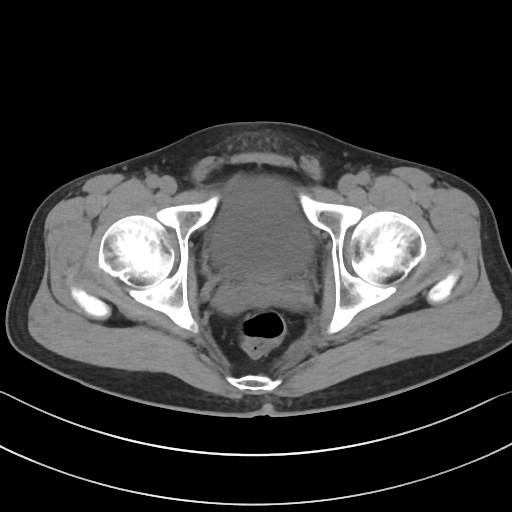

CT, abdomen/pelvis. axial view
<organs><organ name="bladder" x1="212" y1="176" x2="312" y2="273"/><organ name="prostate/uterus" x1="245" y1="270" x2="277" y2="281"/></organs>